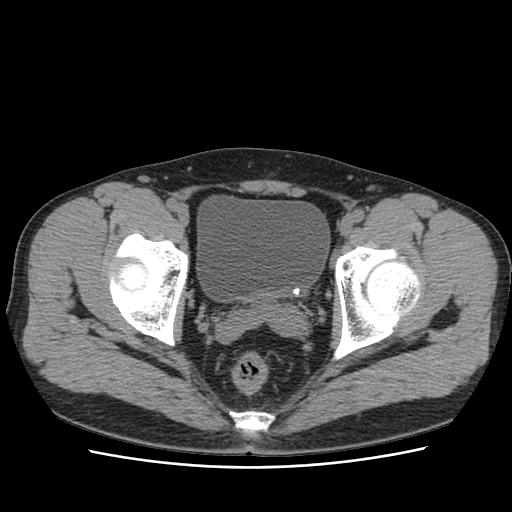
CT abdomen — axial view — 512x512 px
<organs><organ name="bladder" x1="198" y1="197" x2="329" y2="299"/></organs>